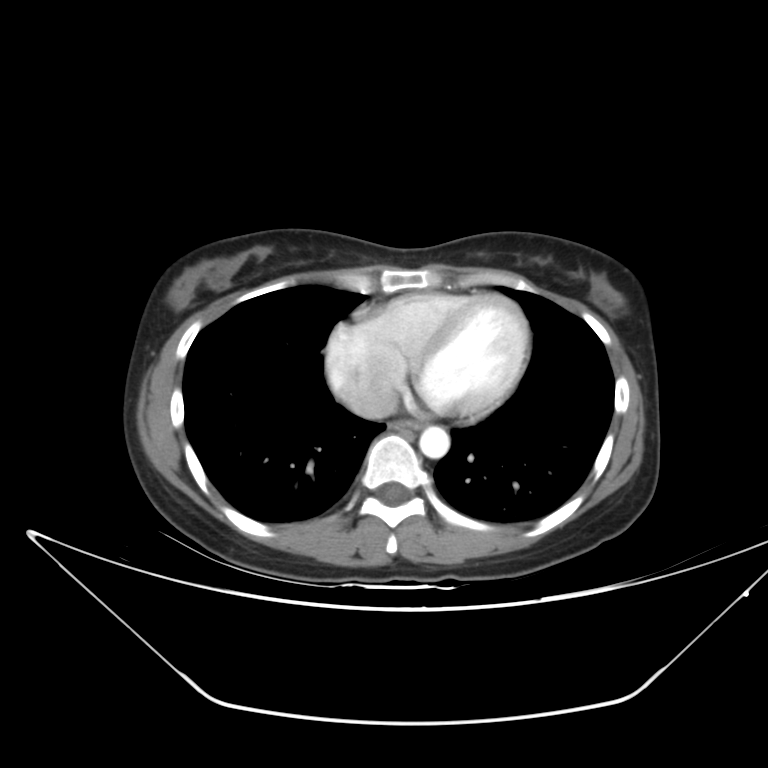
CT of the abdomen reaching into the lower chest, slice just above the liver and spleen; axial plane, index 39
The heart and lungs are never labeled in this dataset, so they have no box on this slice.
Coordinates as <box>x1,y1,x2,y2</box> in pixels.
Organ bounding boxes:
- aorta: <box>419,426,449,458</box>
- esophagus: <box>391,420,420,432</box>
- inferior vena cava: <box>344,382,398,419</box>